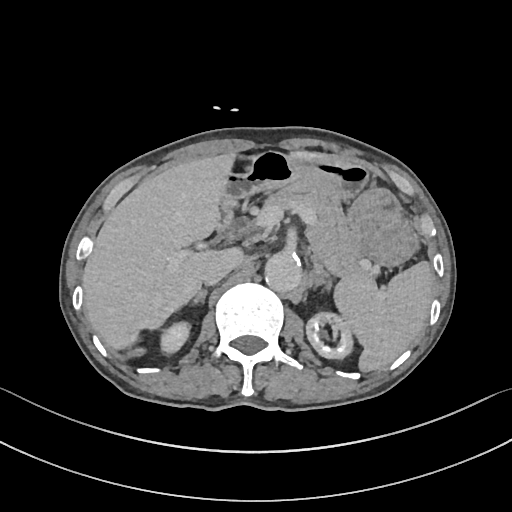 CT, abdomen/pelvis — Axial slice 158/204 — 512x512 px — 15 organs annotated in this scan (counted over the whole 3D scan, not this slice; an organ is boxed only where this slice passes through it)
{"organs":{"spleen":[334,261,434,371],"right kidney":[160,321,190,353],"left kidney":[306,313,353,358],"liver":[82,151,331,349],"stomach":[218,151,417,266],"aorta":[265,253,301,292],"inferior vena cava":[201,249,241,285],"pancreas":[265,184,368,277],"right adrenal gland":[191,290,207,304],"left adrenal gland":[313,264,330,284],"duodenum":[217,194,234,231]}}